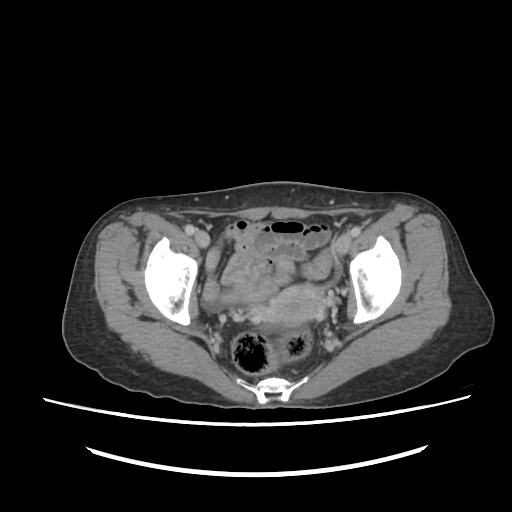
CT abdomen · Axial slice 24/92 · 512x512 px · 60-year-old female patient
<organs><organ name="prostate/uterus" x1="271" y1="283" x2="320" y2="324"/></organs>